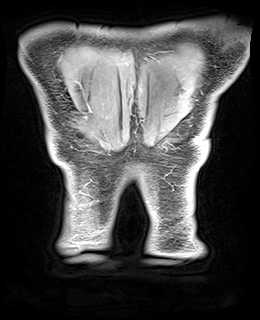
MRI, abdomen · coronal view · 1st–99th percentile window · 260x320 px · Prisma scanner
Boxes: x1:y1:x2:y2 in pixels. 1 labeled organ on this slice — left kidney at 146:180:149:180.